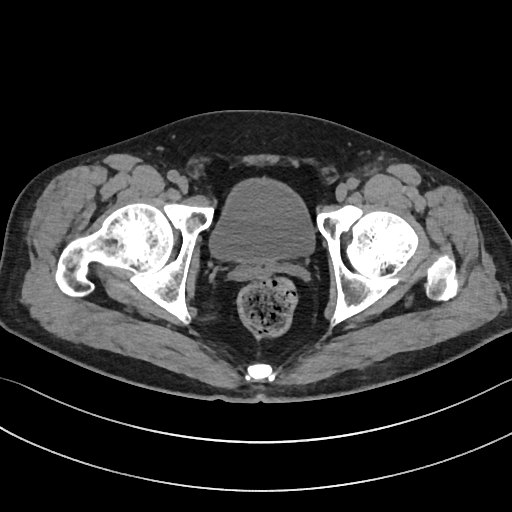 CT abdomen — Axial slice 26/231 — 512x512 px — acquired on SOMATOM Force
Boxes are (x1, y1, x2, y2) in pixels.
Organ bounding boxes:
- bladder: (208, 177, 315, 263)